CT, abdomen/pelvis; Axial slice 214/225; W/L 400/40 HU; SOMATOM Force scanner
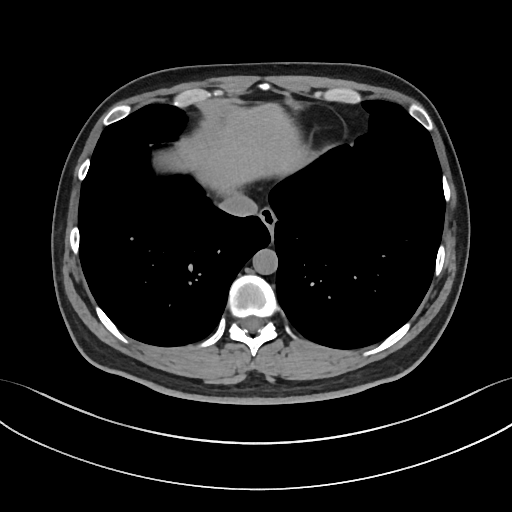
Coordinates as <box>x1,y1,x2,y2</box> in pixels. 4 labeled organs on this slice — esophagus at <box>259,207,276,231</box>; liver at <box>198,103,308,195</box>; aorta at <box>252,248,278,274</box>; inferior vena cava at <box>220,192,258,217</box>.